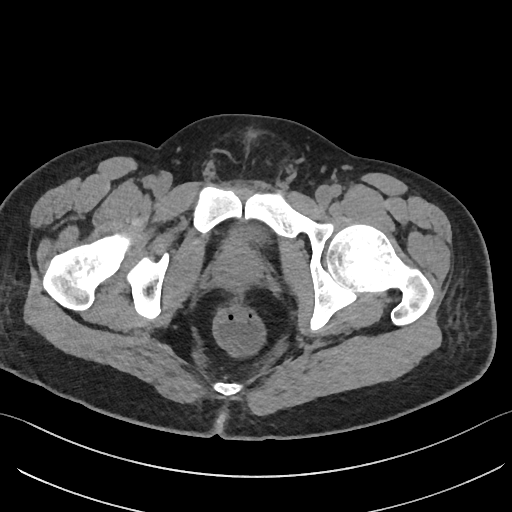

Abdominal CT; axial view
<organs><organ name="bladder" x1="223" y1="225" x2="266" y2="245"/><organ name="prostate/uterus" x1="215" y1="245" x2="261" y2="286"/></organs>